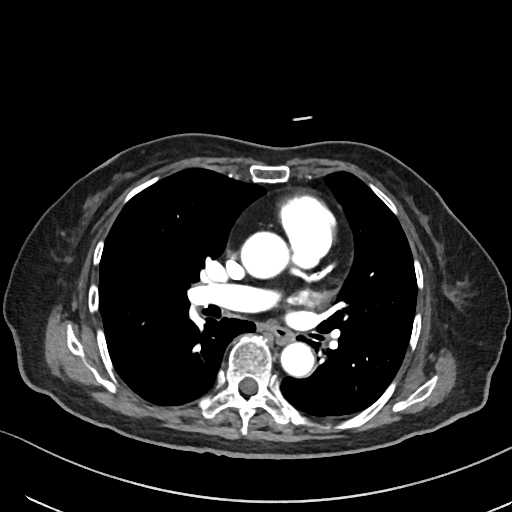

Lower-chest slice from an abdominal CT, just above the liver and spleen — axial view
No part of the heart or lungs is labeled in this dataset, so neither has a box here.
{"organs":{"esophagus":[270,326,293,342],"aorta":[[241,232,293,278],[280,342,314,376]]}}